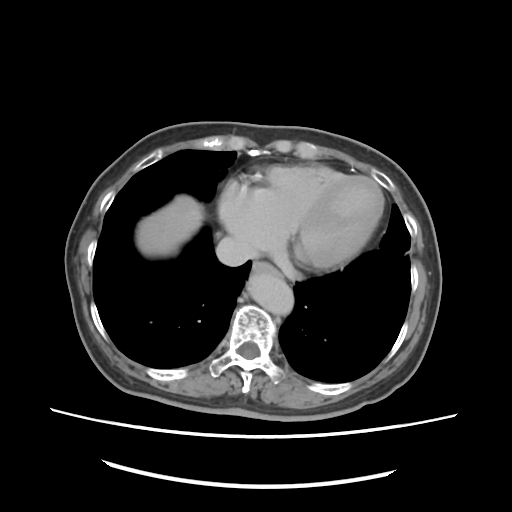 CT, abdomen/pelvis; axial plane, index 84; soft-tissue window; 512x512 px; scan has 15 labeled organs (a whole-scan count: organs this slice does not pass through have no box)
Boxes are (x1, y1, x2, y2) in pixels.
Organ bounding boxes:
- esophagus: (253, 261, 284, 278)
- liver: (136, 196, 204, 254)
- aorta: (247, 275, 292, 314)
- inferior vena cava: (214, 236, 260, 266)